Abdominal CT; this slice is in the lower chest, just above the liver. axial plane, index 91. 768x768 px. 39-year-old female patient. acquired on Brilliance16. 15 organs annotated in this scan (counted over the whole 3D scan, not this slice; an organ is boxed only where this slice passes through it)
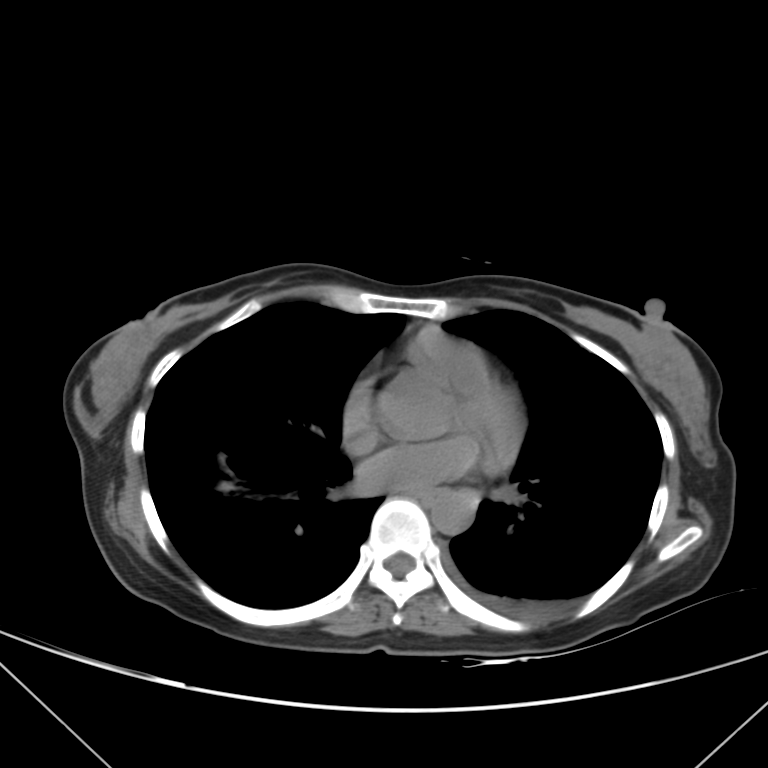

The heart and lungs are never labeled in this dataset, so they have no box on this slice.
Coordinates as <box>x1,y1,x2,y2</box> in pixels.
Organ bounding boxes:
- esophagus: <box>408,488,445,508</box>
- aorta: <box>431,489,476,534</box>